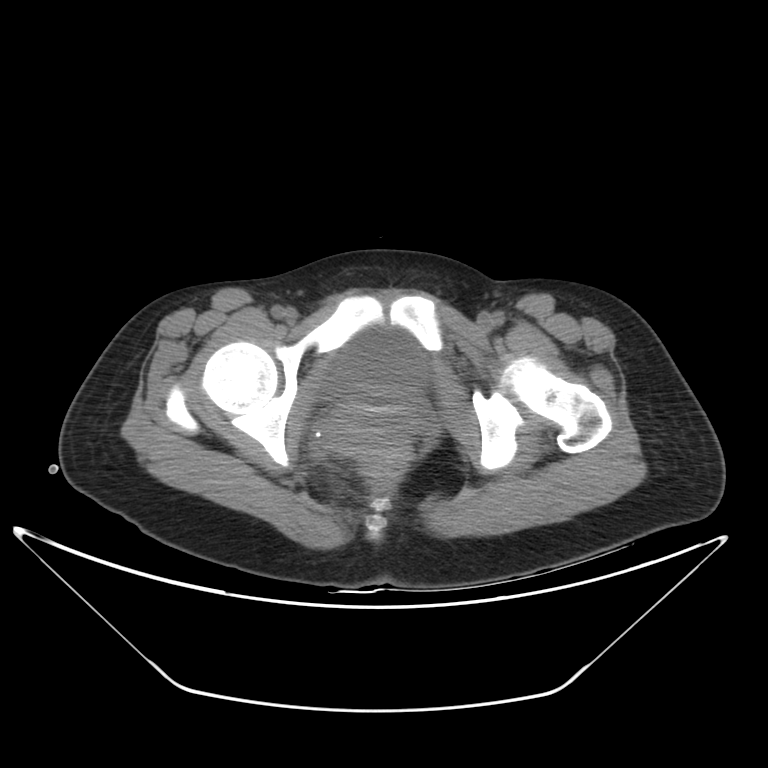
Computed tomography, abdomen. Axial slice 14/95. soft-tissue window (W 400 / L 40). 768x768 px
Boxes: x1 y1 x2 y2 (pixel coords, space-separated). Labeled organs on this slice: bladder at 323 328 428 400.